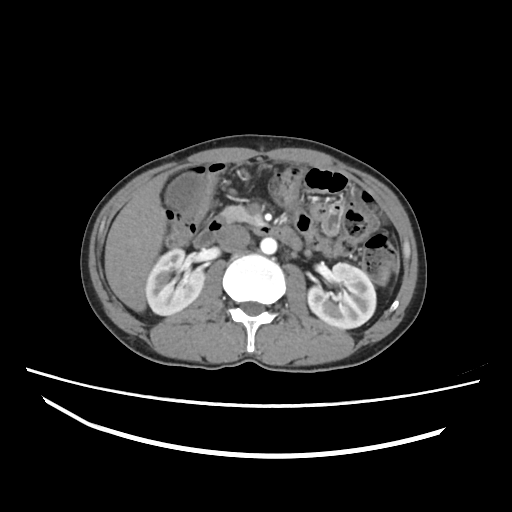
CT, abdomen/pelvis; axial view; W/L 400/40 HU; 512x512 px; 40-year-old male patient; scan has 15 labeled organs (that count is for the whole scan; organs this slice misses have no box)
One row per box, in pixels: columns x1 and y1 give the top-left corner, x2 and y2 the bottom-right.
| organ | x1 | y1 | x2 | y2 |
|---|---|---|---|---|
| right kidney | 145 | 248 | 204 | 315 |
| left kidney | 308 | 263 | 376 | 328 |
| gall bladder | 165 | 172 | 205 | 207 |
| liver | 104 | 173 | 167 | 312 |
| aorta | 260 | 237 | 277 | 254 |
| inferior vena cava | 218 | 225 | 250 | 252 |
| pancreas | 220 | 206 | 260 | 224 |
| duodenum | 193 | 217 | 302 | 249 |